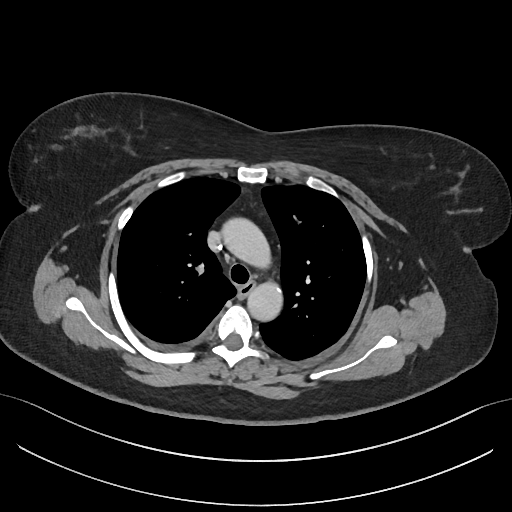

CT of the abdomen extending into the chest, slice through the chest. axial view. soft-tissue window (W 400 / L 40). acquired on SOMATOM Force
At this level of the chest this dataset labels only the esophagus and the aorta, and each is boxed only where it is labeled; the heart and lungs are never labeled. Boxes are (x1, y1, x2, y2) in pixels. The annotated organs in this slice are: esophagus at (239, 283, 253, 296), aorta at (223, 219, 275, 274), aorta at (247, 277, 283, 320).